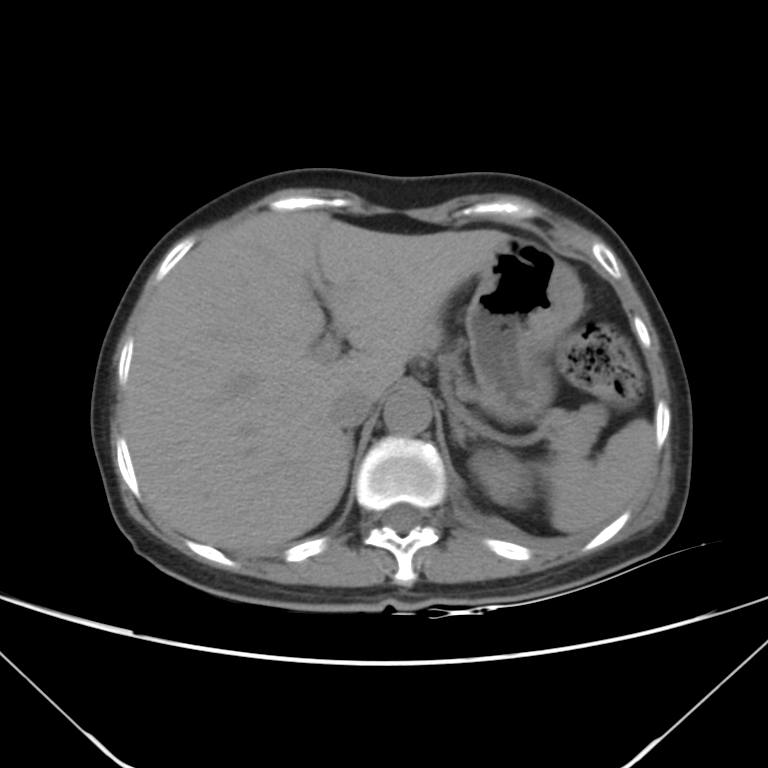 CT abdomen; axial view; soft-tissue window; 63-year-old female patient
Box edges are left/top/right/bottom in pixels.
spleen: left=543, top=419, right=654, bottom=531
left kidney: left=470, top=450, right=533, bottom=507
liver: left=124, top=211, right=509, bottom=552
stomach: left=464, top=236, right=584, bottom=420
aorta: left=384, top=389, right=432, bottom=435
inferior vena cava: left=330, top=386, right=376, bottom=428
pancreas: left=539, top=403, right=606, bottom=458
right adrenal gland: left=349, top=436, right=353, bottom=460
left adrenal gland: left=450, top=414, right=478, bottom=444